CT abdomen — axial view — 512x512 px
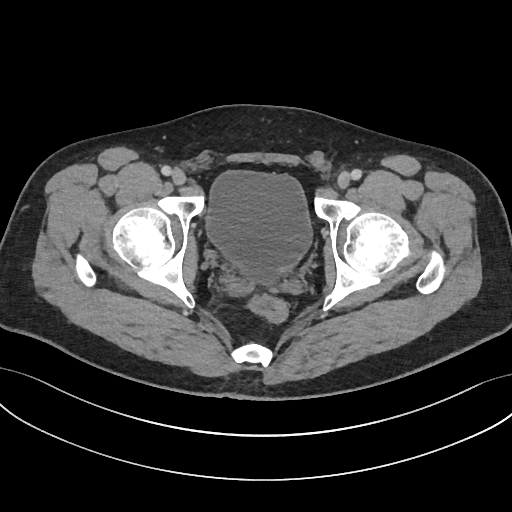

<organs><organ name="bladder" x1="207" y1="171" x2="310" y2="285"/></organs>